CT, abdomen/pelvis. axial view. 768x768 px
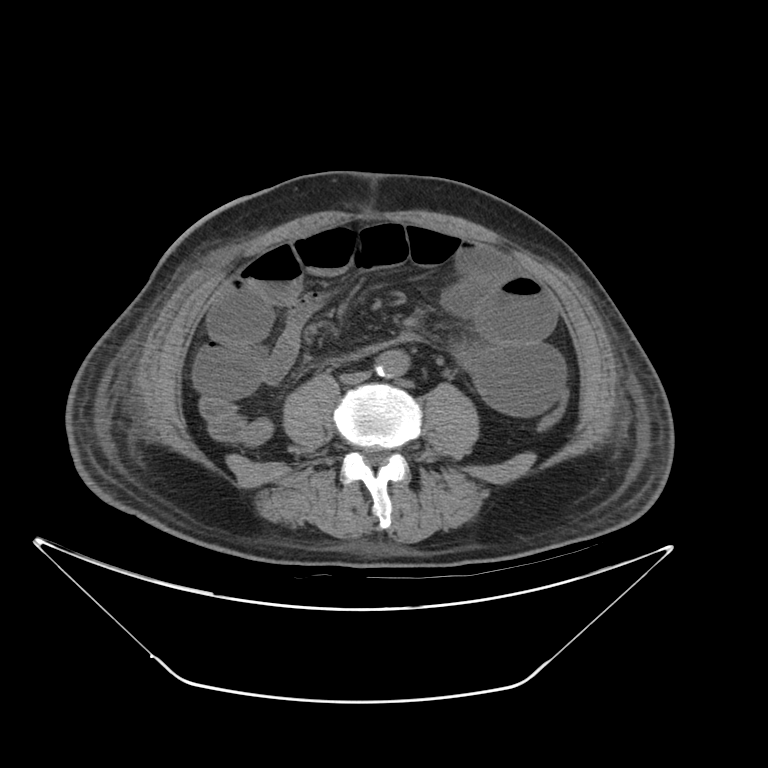

Bounding boxes in pixels, one row per box: x1, y1 is the top-left corner and x2, y2 the bottom-right.
| organ | x1 | y1 | x2 | y2 |
|---|---|---|---|---|
| aorta | 374 | 352 | 409 | 378 |
| inferior vena cava | 337 | 371 | 374 | 383 |